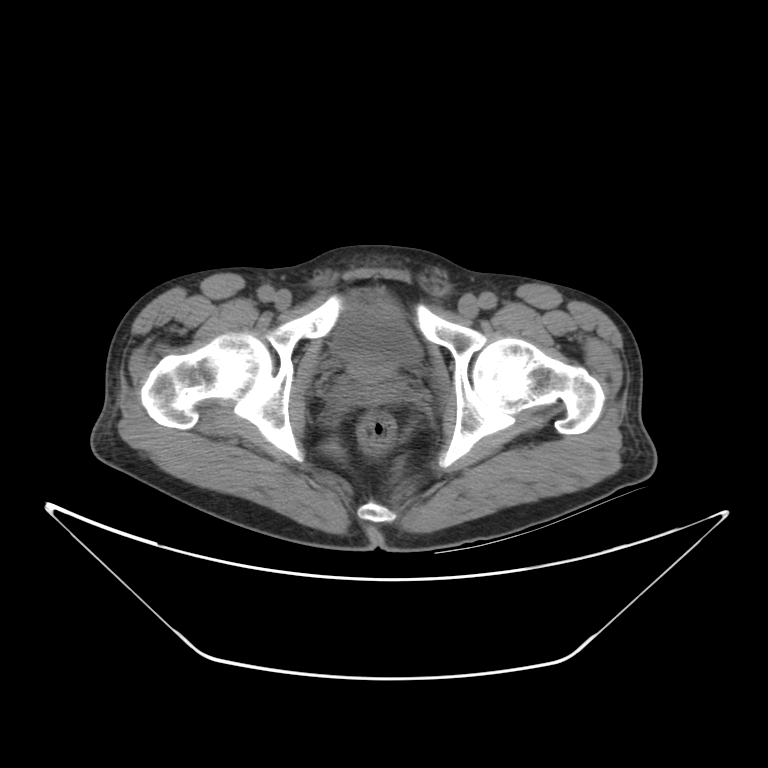 Computed tomography, abdomen; axial view; 768x768 px
Bounding boxes as [x1, y1, x2, y2] in pixel coordinates. 2 labeled organs on this slice — bladder at [328, 297, 424, 363]; prostate/uterus at [347, 355, 400, 380].